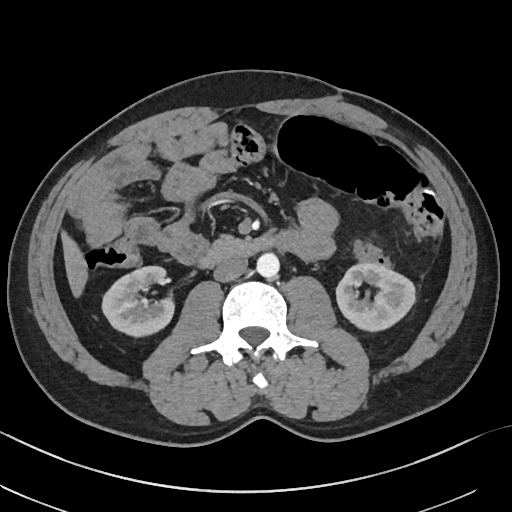
CT, abdomen/pelvis; axial view; SOMATOM Force scanner
Box edges are left/top/right/bottom in pixels.
Organ bounding boxes:
- right kidney: left=102, top=266, right=174, bottom=336
- left kidney: left=336, top=263, right=415, bottom=331
- liver: left=61, top=231, right=87, bottom=297
- aorta: left=256, top=253, right=279, bottom=278
- inferior vena cava: left=213, top=256, right=247, bottom=282
- pancreas: left=214, top=233, right=234, bottom=243
- duodenum: left=199, top=236, right=277, bottom=267